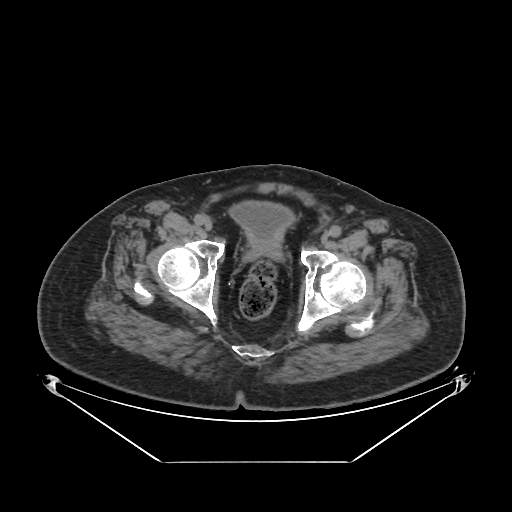

Computed tomography, abdomen — Axial slice 43/353 — W/L 400/40 HU — 512x512 px
{"organs":{"bladder":[229,201,293,237],"prostate/uterus":[251,237,280,252]}}